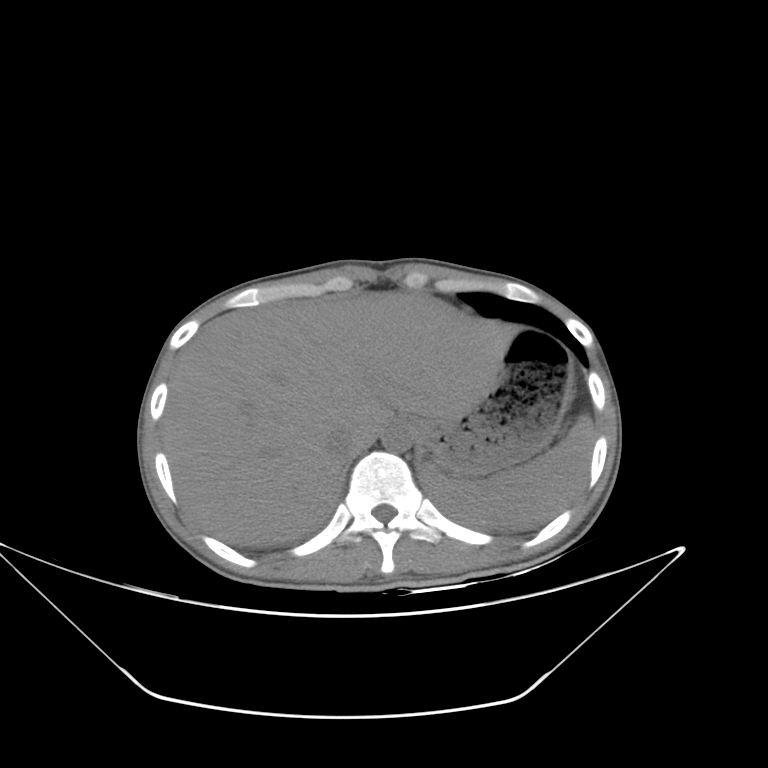

CT abdomen; axial view
{"organs":{"spleen":[422,414,594,529],"liver":[162,292,517,546],"stomach":[414,328,571,477],"aorta":[382,425,412,452],"inferior vena cava":[325,428,358,457]}}